Computed tomography, abdomen; axial view; soft-tissue window
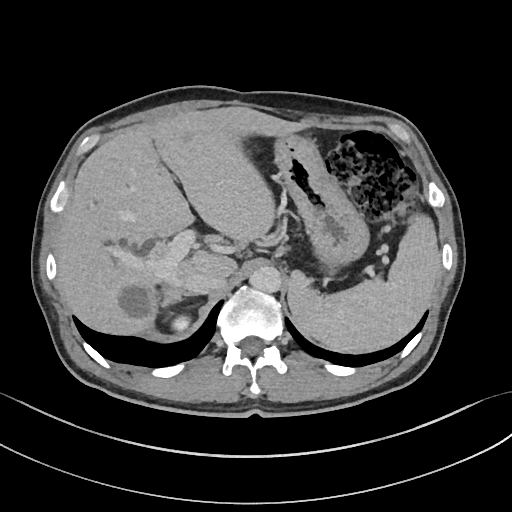 Coordinates as <box>x1,y1,x2,y2</box> in pixels. Labeled organs on this slice: spleen at <box>287,215,439,353</box>, right kidney at <box>171,316,192,331</box>, liver at <box>57,107,313,334</box>, stomach at <box>275,134,367,267</box>, aorta at <box>249,265,281,293</box>, inferior vena cava at <box>185,271,227,294</box>, right adrenal gland at <box>162,288,190,304</box>.